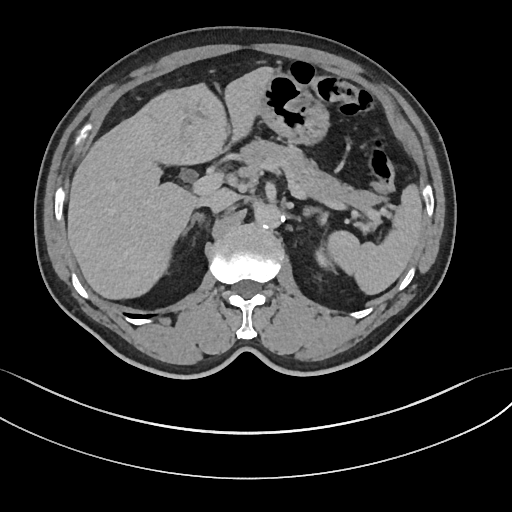 CT, abdomen/pelvis · Axial slice 162/224
Organ boxes in pixel coordinates; each row gives the top-left (x1, y1) and bottom-right (x2, y2) corners.
| organ | x1 | y1 | x2 | y2 |
|---|---|---|---|---|
| spleen | 327 | 182 | 421 | 294 |
| left kidney | 318 | 248 | 330 | 268 |
| liver | 67 | 67 | 272 | 298 |
| stomach | 256 | 73 | 327 | 142 |
| aorta | 255 | 204 | 283 | 228 |
| inferior vena cava | 201 | 188 | 238 | 213 |
| pancreas | 239 | 139 | 384 | 230 |
| right adrenal gland | 181 | 212 | 202 | 236 |
| left adrenal gland | 302 | 205 | 322 | 217 |